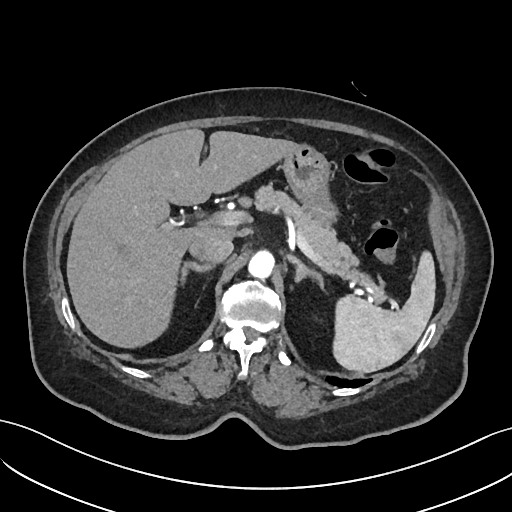

CT, abdomen/pelvis. axial plane, index 145. 15 organs annotated in this scan (a whole-scan count: organs this slice does not pass through have no box)
Boxes: x1:y1:x2:y2 in pixels.
Organ bounding boxes:
- spleen: 333:251:435:372
- liver: 66:128:293:347
- stomach: 281:144:336:224
- aorta: 249:248:274:277
- inferior vena cava: 189:234:233:262
- pancreas: 251:185:386:302
- right adrenal gland: 182:261:213:279
- left adrenal gland: 286:256:324:289